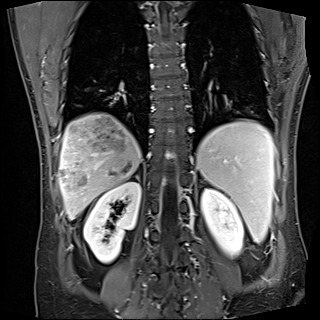
Abdominal MRI. coronal acquisition. percentile-normalized. 320x320 px. 13 organs annotated in this scan (that count is for the whole scan; organs this slice misses have no box)
One row per box, in pixels: columns x1 and y1 give the top-left corner, x2 and y2 the bottom-right.
| organ | x1 | y1 | x2 | y2 |
|---|---|---|---|---|
| liver | 58 | 112 | 141 | 219 |
| right adrenal gland | 136 | 174 | 139 | 180 |
| right kidney | 83 | 181 | 141 | 263 |
| spleen | 196 | 119 | 274 | 242 |
| left kidney | 201 | 188 | 243 | 255 |